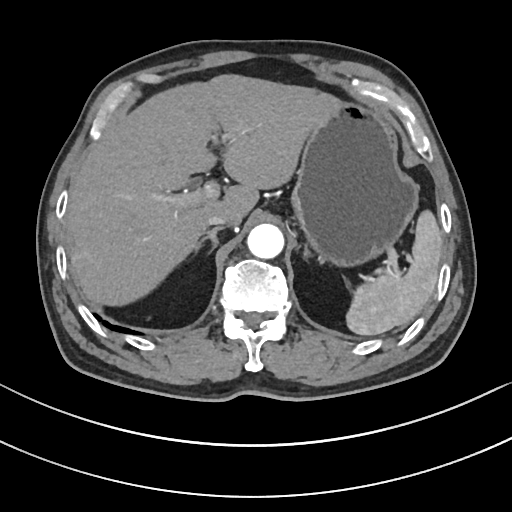
Abdominal CT · Axial slice 161/280 · abdomen soft-tissue window · 512x512 px
{"organs":{"right adrenal gland":[193,228,219,254],"inferior vena cava":[204,215,226,228],"aorta":[246,224,284,259],"left adrenal gland":[304,249,309,255],"liver":[66,76,338,306],"spleen":[345,211,442,335],"stomach":[290,103,419,265]}}